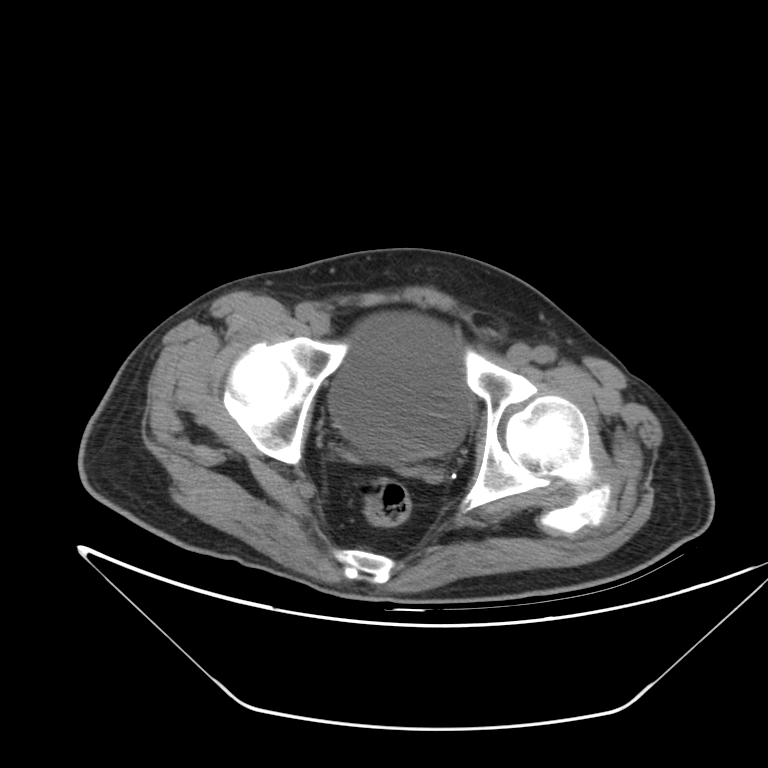
Computed tomography, abdomen; axial plane, index 22; 768x768 px; 47-year-old male patient
Boxes are (x1, y1, x2, y2) in pixels.
Organ bounding boxes:
- bladder: (330, 312, 471, 461)